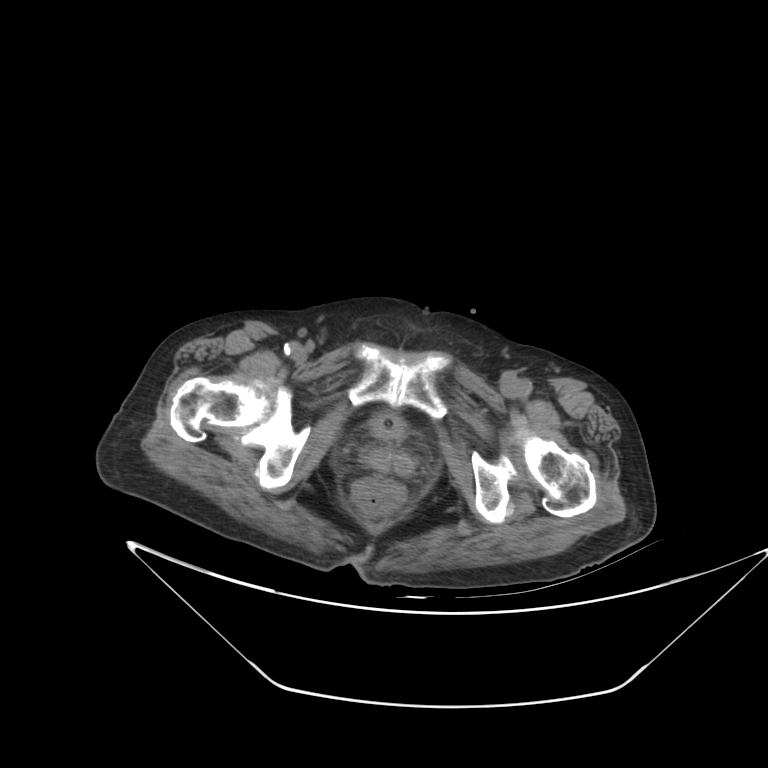

Computed tomography, abdomen; axial view; W/L 400/40 HU; 80-year-old female patient; Brilliance16 scanner
Bounding boxes in pixels, one row per box: x1, y1 is the top-left corner and x2, y2 the bottom-right.
| organ | x1 | y1 | x2 | y2 |
|---|---|---|---|---|
| bladder | 369 | 412 | 405 | 439 |